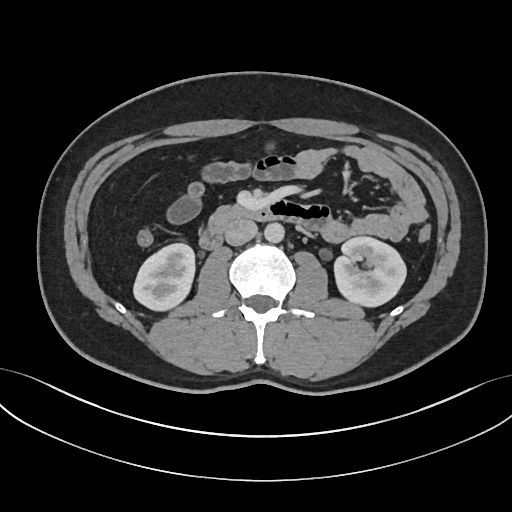

CT abdomen. axial view
Boxes: x1 y1 x2 y2 (pixel coords, space-separated).
right kidney: 133 243 195 311
left kidney: 334 236 406 307
aorta: 264 223 284 243
inferior vena cava: 224 219 257 246
duodenum: 198 200 324 249